Chest-level slice from an abdominal CT that extends up into the chest — axial view — soft-tissue window — 15 organs annotated in this scan (a whole-scan count: organs this slice does not pass through have no box)
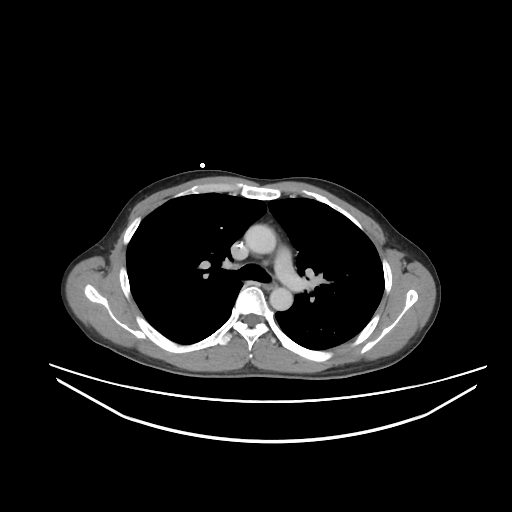 At this level of the chest no structure but the esophagus and the aorta has a label in this dataset, and those two are boxed only where they are labeled.
One row per box, in pixels: columns x1 and y1 give the top-left corner, x2 and y2 the bottom-right.
| organ | x1 | y1 | x2 | y2 |
|---|---|---|---|---|
| esophagus | 262 | 284 | 276 | 289 |
| aorta | 244 | 224 | 276 | 254 |
| aorta | 269 | 287 | 292 | 310 |